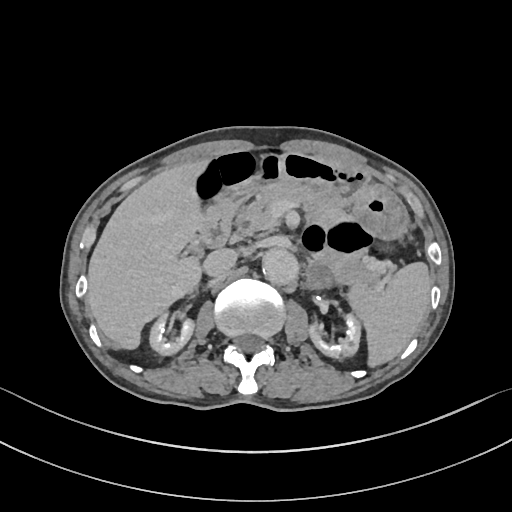
CT abdomen — axial view — abdomen soft-tissue window
Coordinates as <box>x1,y1,x2,y2</box> in pixels.
Organ bounding boxes:
- left adrenal gland: <box>307,264,333,289</box>
- gall bladder: <box>189,245,199,255</box>
- pancreas: <box>233,183,386,285</box>
- spleen: <box>346,262,430,365</box>
- left kidney: <box>307,314,361,357</box>
- inferior vena cava: <box>202,249,235,276</box>
- stomach: <box>214,152,408,240</box>
- right kidney: <box>149,313,193,354</box>
- aorta: <box>261,247,297,284</box>
- duodenum: <box>193,204,233,248</box>
- liver: <box>88,159,209,349</box>